Abdominal CT; axial plane, index 67; abdomen soft-tissue window
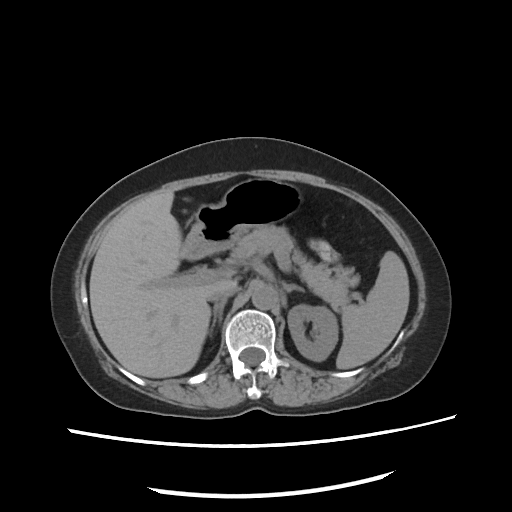
<organs><organ name="spleen" x1="336" y1="252" x2="408" y2="370"/><organ name="left kidney" x1="289" y1="306" x2="337" y2="362"/><organ name="liver" x1="90" y1="191" x2="236" y2="377"/><organ name="stomach" x1="182" y1="177" x2="305" y2="259"/><organ name="aorta" x1="251" y1="282" x2="278" y2="309"/><organ name="inferior vena cava" x1="209" y1="291" x2="233" y2="302"/><organ name="pancreas" x1="240" y1="227" x2="361" y2="301"/><organ name="right adrenal gland" x1="209" y1="300" x2="227" y2="333"/><organ name="left adrenal gland" x1="283" y1="282" x2="305" y2="293"/></organs>